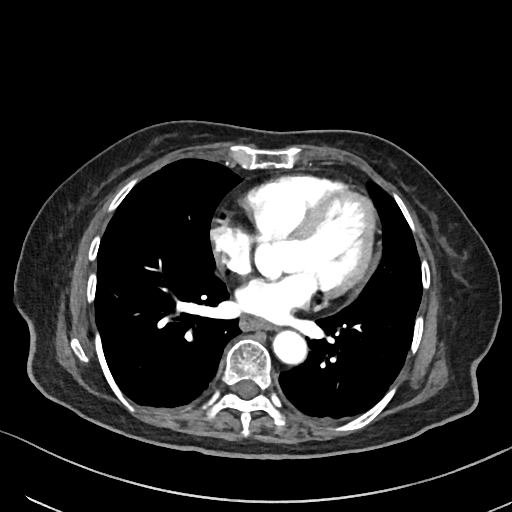 Lower-chest slice from an abdominal CT, just above the liver and spleen. Axial slice 224/297
Of the structures in the chest, this dataset labels only the esophagus, the aorta and the inferior vena cava; the heart and lungs have no label.
<organs><organ name="aorta" x1="273" y1="330" x2="307" y2="364"/><organ name="esophagus" x1="240" y1="317" x2="270" y2="329"/></organs>